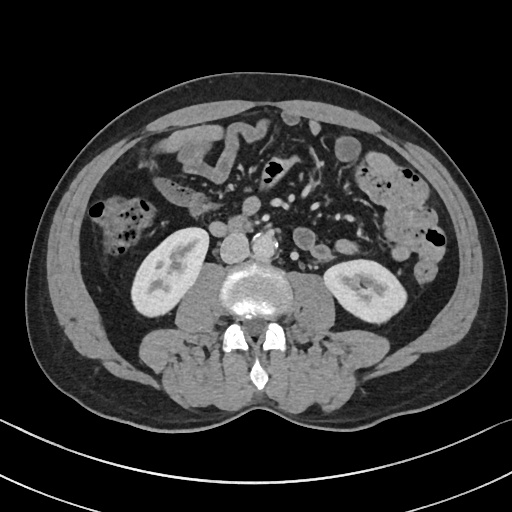
CT abdomen. axial view. 512x512 px. 15 organs annotated in this scan (a whole-scan count: organs this slice does not pass through have no box)
<organs><organ name="right kidney" x1="131" y1="228" x2="208" y2="316"/><organ name="left kidney" x1="324" y1="259" x2="406" y2="322"/><organ name="duodenum" x1="228" y1="218" x2="249" y2="231"/><organ name="inferior vena cava" x1="220" y1="232" x2="249" y2="263"/><organ name="aorta" x1="253" y1="233" x2="276" y2="259"/></organs>